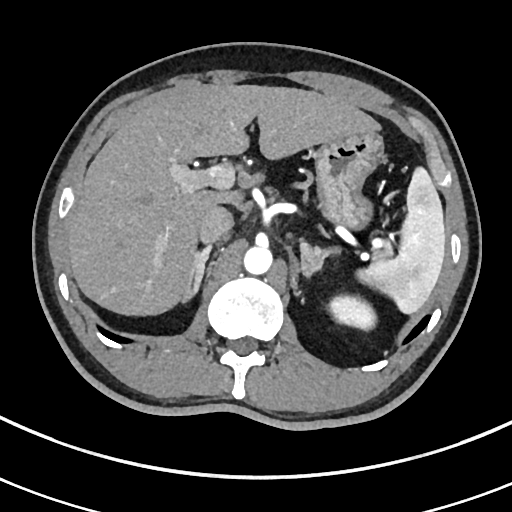

CT abdomen; axial view
Boxes are (x1, y1, x2, y2) in pixels. 9 labeled organs on this slice — spleen at (356, 165, 445, 313); left kidney at (330, 294, 376, 328); liver at (68, 85, 379, 315); stomach at (313, 132, 383, 226); aorta at (243, 245, 272, 273); inferior vena cava at (197, 206, 233, 244); pancreas at (373, 241, 392, 258); right adrenal gland at (181, 246, 210, 300); left adrenal gland at (299, 240, 339, 275).